CT abdomen — axial view — 512x512 px — 15 organs annotated in this scan (that count is for the whole scan; organs this slice misses have no box)
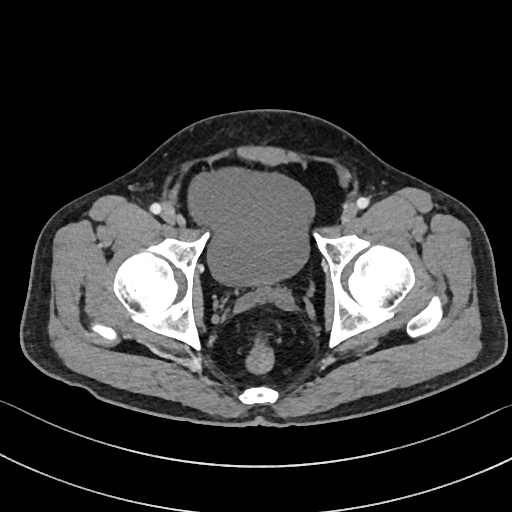 <organs><organ name="bladder" x1="189" y1="168" x2="313" y2="286"/></organs>